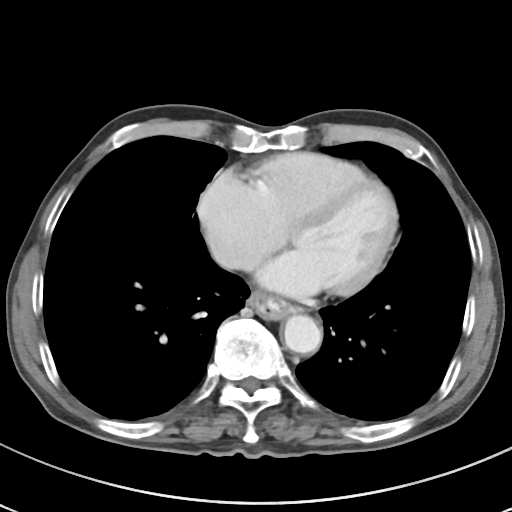
CT of the abdomen reaching into the lower chest, slice just above the liver and spleen — axial view — soft-tissue window, W/L 400/40 — 512x512 px
Of the structures in the chest, this dataset labels only the esophagus, the aorta and the inferior vena cava; the heart and lungs have no label.
Boxes are (x1, y1, x2, y2) in pixels.
Organ bounding boxes:
- esophagus: (248, 292, 296, 319)
- aorta: (283, 315, 321, 353)